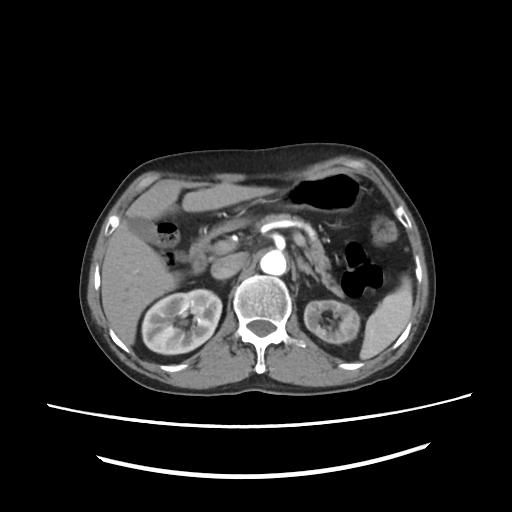
CT, abdomen/pelvis; axial view; soft-tissue window (W 400 / L 40); 512x512 px; Aquilion ONE scanner
Coordinates as <box>x1,y1,x2,y2</box> in pixels.
Organ bounding boxes:
- left kidney: <box>305,300,359,343</box>
- pancreas: <box>257,214,344,295</box>
- duodenum: <box>190,223,235,272</box>
- liver: <box>101,183,277,345</box>
- gall bladder: <box>130,219,158,245</box>
- stomach: <box>230,170,363,226</box>
- spleen: <box>360,277,413,360</box>
- left adrenal gland: <box>297,255,319,281</box>
- aorta: <box>260,250,286,276</box>
- right kidney: <box>141,290,221,354</box>
- inferior vena cava: <box>211,255,242,279</box>